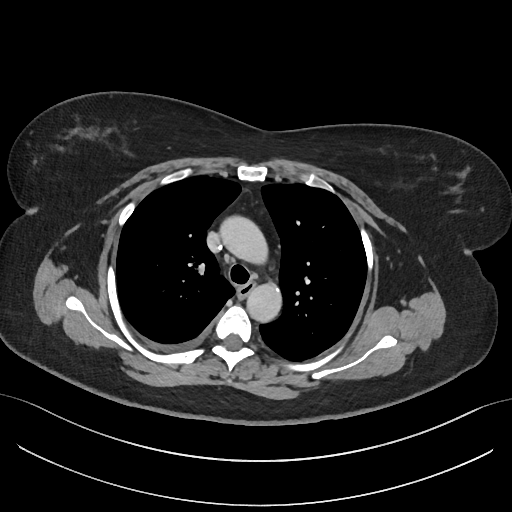 Abdominal CT reaching into the chest; this slice is in the chest · Axial slice 260/305 · soft-tissue window · 512x512 px · 15 organs annotated in this scan (that count is for the whole scan; organs this slice misses have no box)
At this level of the chest no structure but the esophagus and the aorta has a label in this dataset, and those two are boxed only where they are labeled. Coordinates as <box>x1,y1,x2,y2</box> in pixels. The annotated organs in this slice are: esophagus at <box>237,283,254,296</box>, aorta at <box>218,214,265,260</box>, aorta at <box>246,284,281,323</box>.